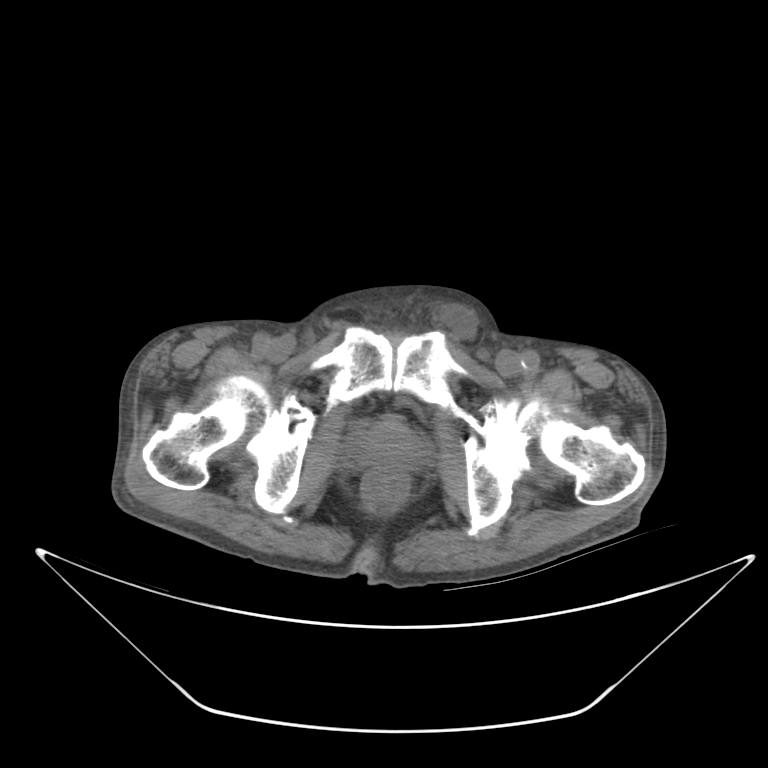

Computed tomography, abdomen; Axial slice 15/95; acquired on Brilliance16
Each box given as x1,y1,x2,y2.
prostate/uterus: x1=351, y1=421, x2=424, y2=465